CT, abdomen/pelvis · axial view · 512x512 px
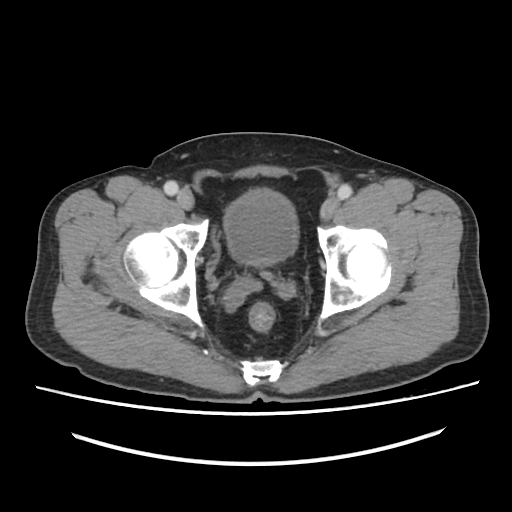 {"organs":{"bladder":[224,189,298,265]}}